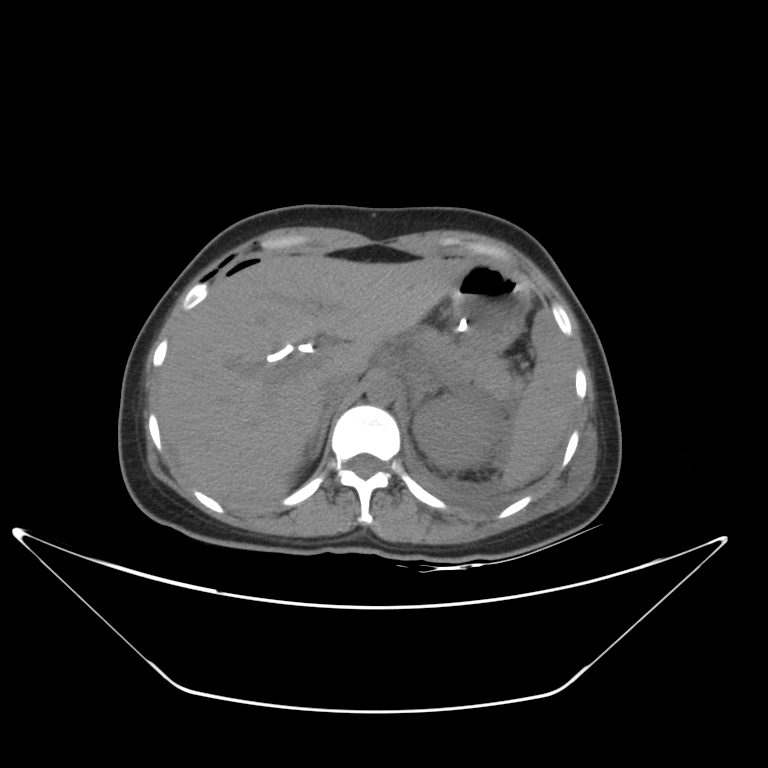 CT abdomen · axial view · Brilliance16 scanner
Each box given as x1,y1,x2,y2.
right adrenal gland: x1=307, y1=399, x2=341, y2=461
pancreas: x1=418, y1=332, x2=519, y2=396
left kidney: x1=413, y1=397, x2=491, y2=469
inferior vena cava: x1=319, y1=374, x2=356, y2=405
left adrenal gland: x1=330, y1=381, x2=444, y2=417
liver: x1=155, y1=255, x2=471, y2=514
spleen: x1=504, y1=310, x2=573, y2=487
aorta: x1=367, y1=378, x2=396, y2=405
stomach: x1=450, y1=264, x2=528, y2=352